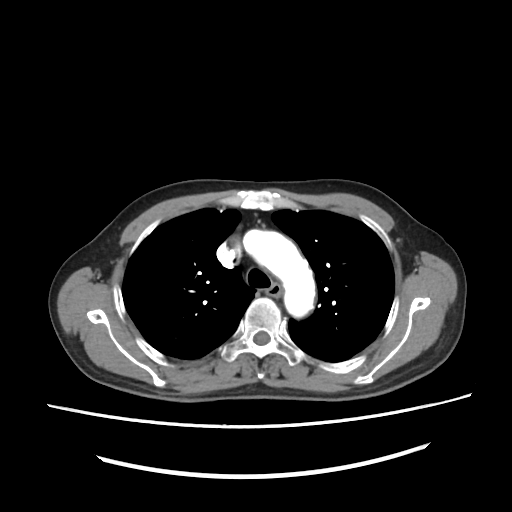

CT of the abdomen extending into the chest, slice through the chest · axial plane, index 114 · 67-year-old male patient
At this level of the chest no structure but the esophagus and the aorta has a label in this dataset, and those two are boxed only where they are labeled.
{"organs":{"esophagus":[267,281,279,297],"aorta":[242,228,319,319]}}